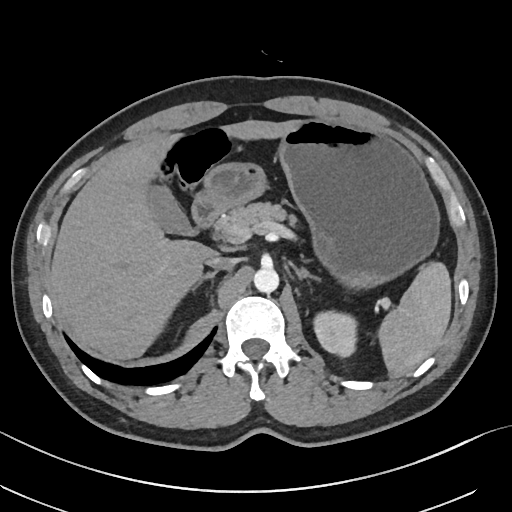
CT abdomen — axial view — soft-tissue window (W 400 / L 40)
{"organs":{"left kidney":[313,310,357,357],"inferior vena cava":[205,256,236,269],"stomach":[202,119,439,289],"pancreas":[216,202,296,238],"spleen":[378,262,451,376],"duodenum":[192,191,223,227],"aorta":[254,267,278,293],"left adrenal gland":[294,267,319,280],"liver":[50,120,301,359],"right adrenal gland":[192,270,217,291],"gall bladder":[146,182,197,236]}}